Abdominal CT · Axial slice 155/202
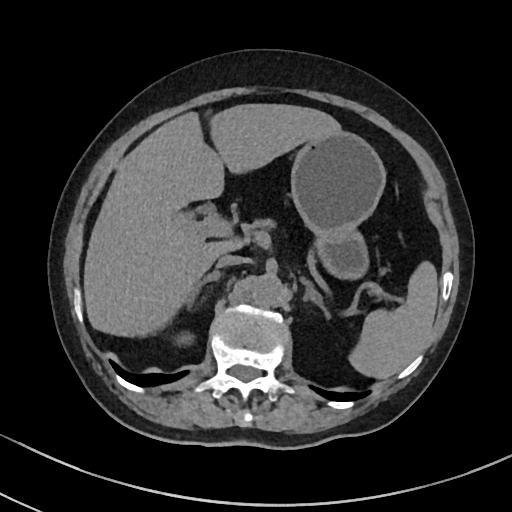
<organs><organ name="spleen" x1="351" y1="263" x2="438" y2="379"/><organ name="right kidney" x1="175" y1="335" x2="194" y2="345"/><organ name="liver" x1="83" y1="103" x2="370" y2="424"/><organ name="stomach" x1="290" y1="130" x2="385" y2="278"/><organ name="aorta" x1="251" y1="273" x2="283" y2="305"/><organ name="inferior vena cava" x1="216" y1="255" x2="243" y2="268"/><organ name="pancreas" x1="259" y1="219" x2="380" y2="295"/><organ name="right adrenal gland" x1="189" y1="271" x2="223" y2="303"/><organ name="left adrenal gland" x1="299" y1="276" x2="329" y2="315"/></organs>